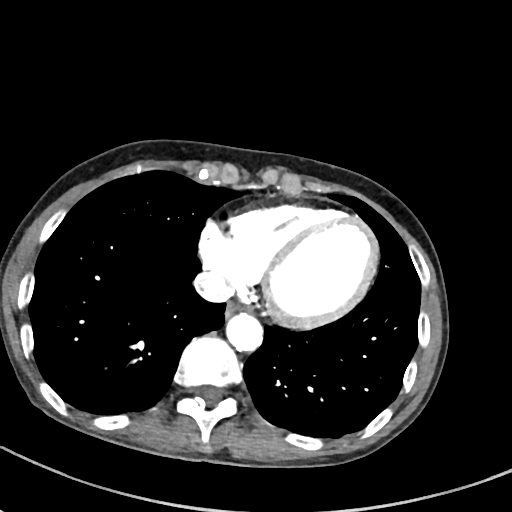

Abdominal CT; this slice is in the lower chest, just above the liver. axial plane, index 205. 512x512 px. SOMATOM Force scanner
No part of the heart or lungs is labeled in this dataset, so neither has a box here.
<organs><organ name="esophagus" x1="226" y1="302" x2="252" y2="316"/><organ name="aorta" x1="226" y1="312" x2="263" y2="351"/><organ name="inferior vena cava" x1="194" y1="271" x2="233" y2="302"/></organs>